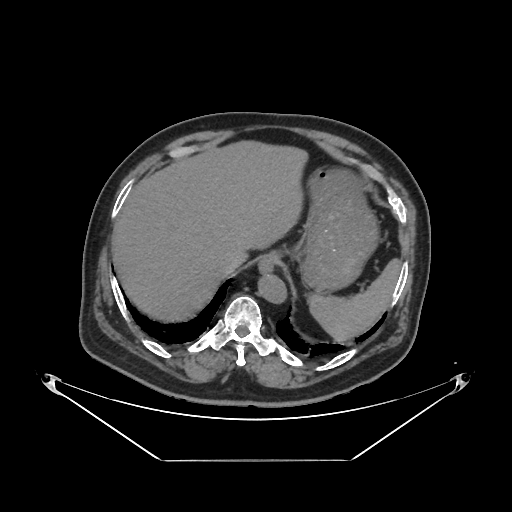 Computed tomography, abdomen — axial view — soft-tissue window (W 400 / L 40) — 512x512 px — acquired on SOMATOM Force
Boxes: x1 y1 x2 y2 (pixel coords, space-separated). The annotated organs in this slice are: aorta at 259 274 287 304, inferior vena cava at 219 255 240 274, spleen at 309 259 401 341, liver at 112 141 308 319, stomach at 273 169 377 292, esophagus at 258 254 276 274.